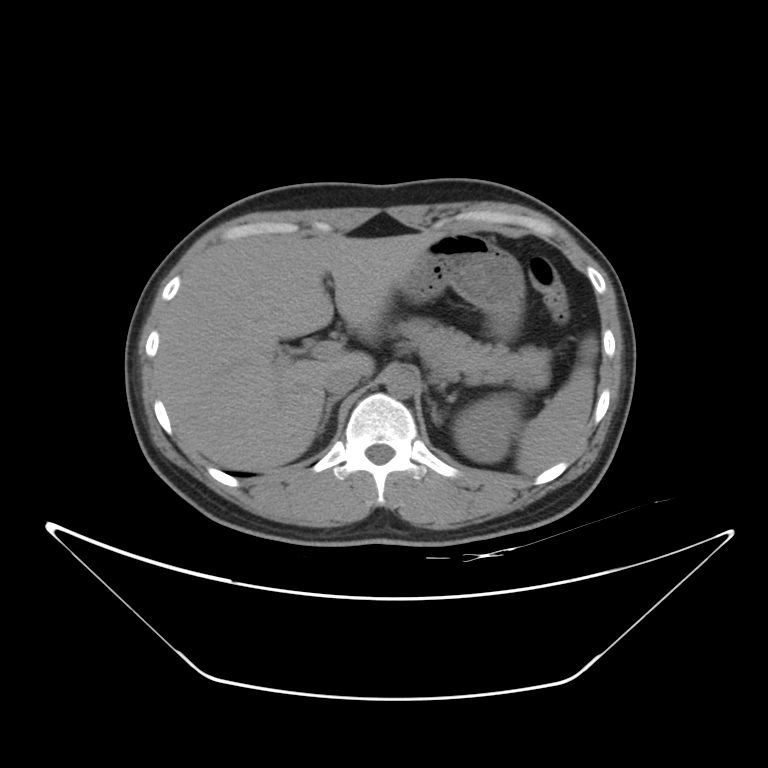
CT, abdomen/pelvis — axial view — abdomen soft-tissue window — 25-year-old male patient — scan has 15 labeled organs (counted over the whole 3D scan, not this slice; an organ is boxed only where this slice passes through it)
Bounding boxes as [x1, y1, x2, y2] in pixel coordinates. Labeled organs on this slice: stomach at [400, 231, 524, 337], inferior vena cava at [323, 365, 362, 397], left adrenal gland at [429, 401, 442, 424], spleen at [516, 336, 598, 474], right adrenal gland at [318, 396, 340, 433], left kidney at [453, 392, 520, 462], pancreas at [396, 318, 550, 389], aorta at [386, 368, 417, 398], liver at [155, 230, 443, 470].